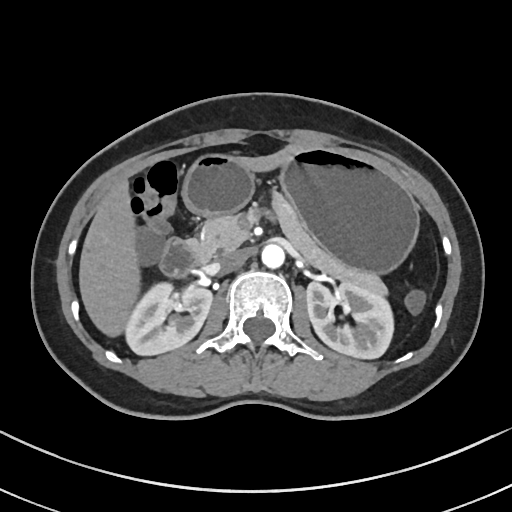 CT abdomen — axial view — soft-tissue window (W 400 / L 40) — 15 organs annotated in this scan (a whole-scan count: organs this slice does not pass through have no box)
Boxes: x1:y1:x2:y2 in pixels.
Organ bounding boxes:
- stomach: 182:147:418:271
- liver: 79:146:296:333
- duodenum: 159:237:204:276
- pancreas: 192:192:385:294
- aorta: 261:243:284:267
- right kidney: 124:282:211:354
- left kidney: 307:283:395:358
- inferior vena cava: 217:250:247:271